Computed tomography, abdomen; axial view; 512x512 px; 49-year-old male patient
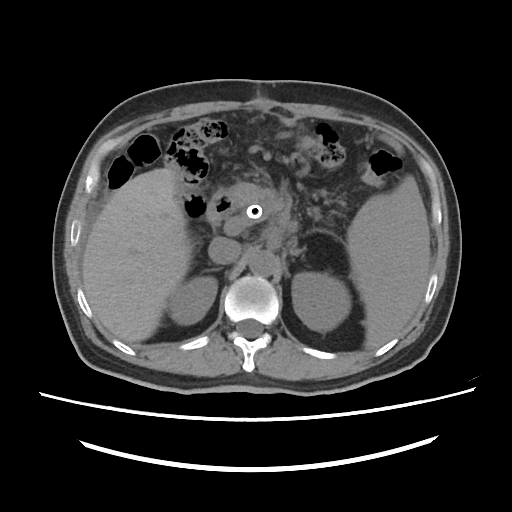

Coordinates as <box>x1,y1,x2,y2</box> in pixels. The annotated organs in this slice are: spleen at <box>347,176,430,345</box>, duodenum at <box>206,190,237,226</box>, liver at <box>82,167,381,345</box>, left kidney at <box>292,272,351,331</box>, pancreas at <box>229,182,290,227</box>, right kidney at <box>168,276,217,324</box>, aorta at <box>248,250,276,276</box>, left adrenal gland at <box>290,249,300,254</box>, inferior vena cava at <box>208,236,241,264</box>.